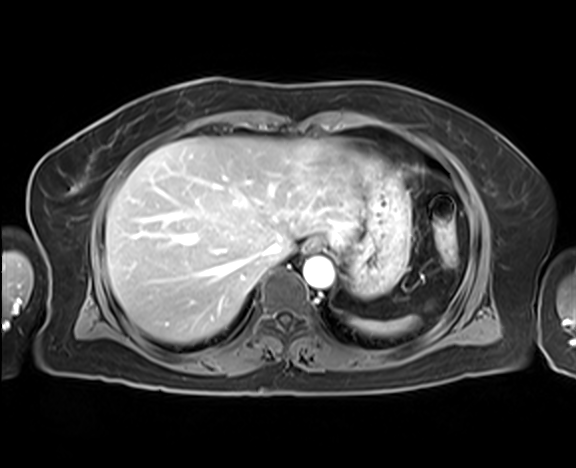
Magnetic resonance imaging, abdomen. axial view. 576x468 px
<organs><organ name="spleen" x1="347" y1="302" x2="433" y2="334"/><organ name="esophagus" x1="305" y1="238" x2="322" y2="252"/><organ name="liver" x1="105" y1="136" x2="372" y2="343"/><organ name="stomach" x1="333" y1="162" x2="410" y2="297"/><organ name="aorta" x1="303" y1="257" x2="334" y2="288"/><organ name="inferior vena cava" x1="264" y1="241" x2="285" y2="258"/></organs>